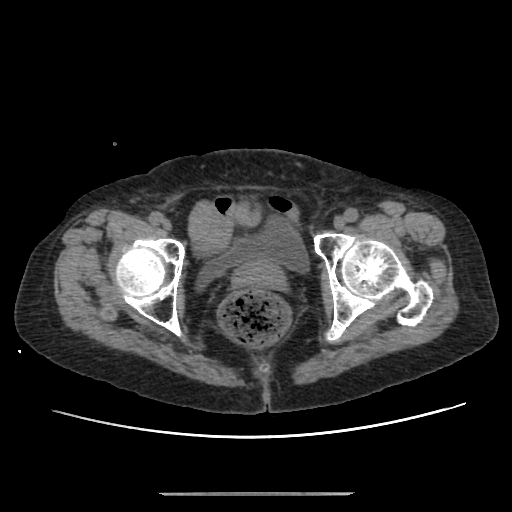

CT abdomen; Axial slice 56/353
<organs><organ name="bladder" x1="195" y1="217" x2="309" y2="291"/><organ name="prostate/uterus" x1="232" y1="258" x2="285" y2="289"/></organs>